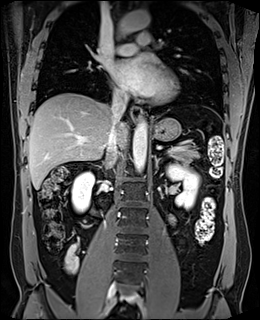
MRI, abdomen · Coronal slice 67/144 · 260x320 px
Bounding boxes in pixels, one row per box: x1, y1 is the top-left corner and x2, y2 the bottom-right.
| organ | x1 | y1 | x2 | y2 |
|---|---|---|---|---|
| right kidney | 71 | 172 | 94 | 212 |
| left kidney | 166 | 164 | 199 | 209 |
| esophagus | 130 | 106 | 142 | 121 |
| liver | 28 | 92 | 127 | 189 |
| stomach | 152 | 118 | 180 | 141 |
| aorta | 133 | 120 | 147 | 172 |
| aorta | 118 | 10 | 150 | 39 |
| inferior vena cava | 106 | 94 | 127 | 162 |
| pancreas | 169 | 148 | 200 | 162 |
| right adrenal gland | 110 | 156 | 114 | 164 |
| left adrenal gland | 154 | 155 | 161 | 168 |